CT abdomen; axial view; soft-tissue window (W 400 / L 40); 512x512 px; scan has 15 labeled organs (a whole-scan count: organs this slice does not pass through have no box)
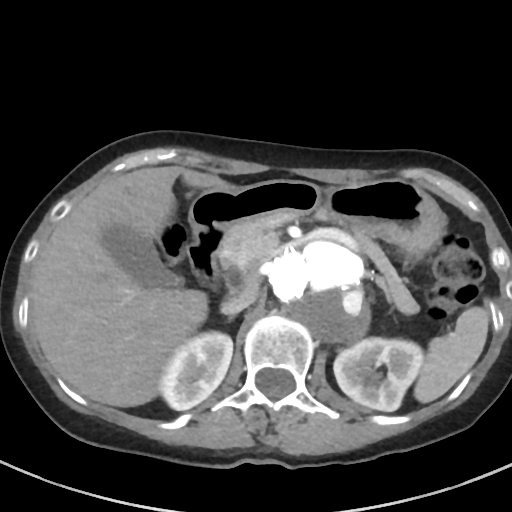
<organs><organ name="spleen" x1="413" y1="307" x2="488" y2="403"/><organ name="right kidney" x1="159" y1="331" x2="232" y2="410"/><organ name="left kidney" x1="333" y1="337" x2="423" y2="411"/><organ name="gall bladder" x1="101" y1="224" x2="181" y2="287"/><organ name="liver" x1="30" y1="166" x2="238" y2="407"/><organ name="stomach" x1="189" y1="179" x2="446" y2="257"/><organ name="aorta" x1="267" y1="239" x2="367" y2="341"/><organ name="inferior vena cava" x1="220" y1="274" x2="258" y2="315"/><organ name="pancreas" x1="220" y1="211" x2="419" y2="314"/><organ name="right adrenal gland" x1="228" y1="315" x2="233" y2="320"/><organ name="left adrenal gland" x1="375" y1="275" x2="392" y2="304"/><organ name="duodenum" x1="188" y1="227" x2="226" y2="286"/></organs>